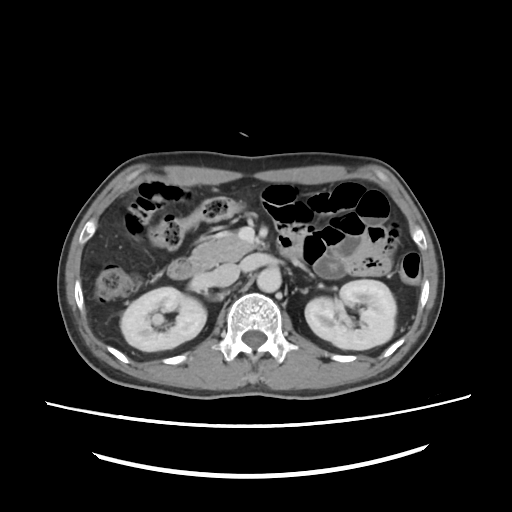

Abdominal CT. Axial slice 66/126. W/L 400/40 HU
<organs><organ name="right kidney" x1="121" y1="287" x2="206" y2="351"/><organ name="left kidney" x1="305" y1="279" x2="396" y2="349"/><organ name="aorta" x1="257" y1="269" x2="281" y2="293"/><organ name="inferior vena cava" x1="211" y1="265" x2="239" y2="287"/><organ name="pancreas" x1="199" y1="230" x2="254" y2="266"/><organ name="duodenum" x1="169" y1="251" x2="206" y2="279"/></organs>